Computed tomography, abdomen. axial view. SOMATOM Force scanner
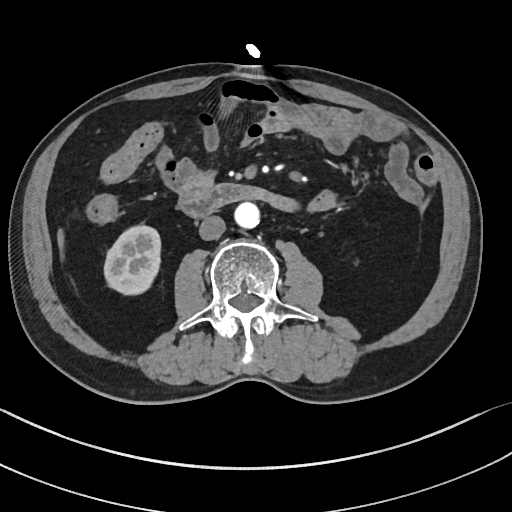 Organ boxes in pixel coordinates; each row gives the top-left (x1, y1) and bottom-right (x2, y2) corners.
| organ | x1 | y1 | x2 | y2 |
|---|---|---|---|---|
| right kidney | 103 | 224 | 161 | 295 |
| liver | 56 | 227 | 63 | 253 |
| aorta | 234 | 202 | 260 | 229 |
| inferior vena cava | 199 | 216 | 225 | 240 |
| duodenum | 177 | 184 | 296 | 218 |